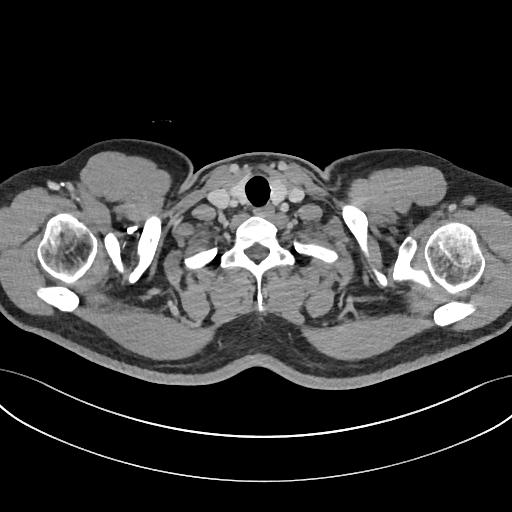
Chest-level CT slice, above the liver and spleen; axial view; acquired on SOMATOM Force; scan has 15 labeled organs (counted over the whole 3D scan, not this slice; an organ is boxed only where this slice passes through it)
At this level of the chest this dataset labels only the esophagus and the aorta, and each is boxed only where it is labeled; the heart and lungs are never labeled.
Boxes: x1 y1 x2 y2 (pixel coords, space-separated).
Organ bounding boxes:
- esophagus: 264 206 274 216